CT abdomen; axial view; abdomen soft-tissue window; 512x512 px; SOMATOM Force scanner
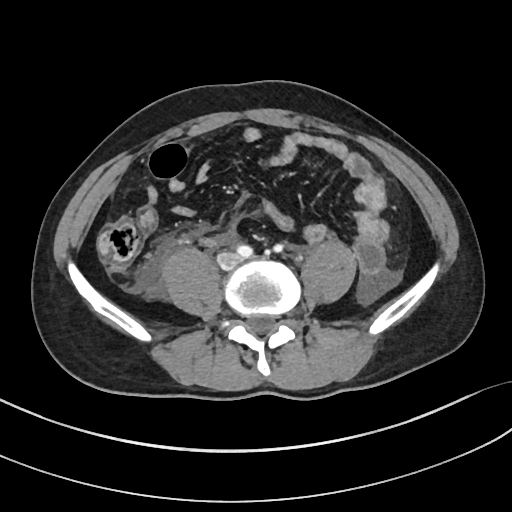 {"organs":{"inferior vena cava":[217,253,239,268]}}